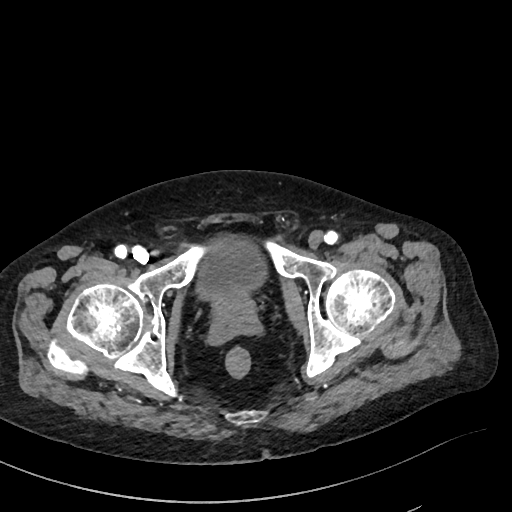

CT abdomen. axial view. 15 organs annotated in this scan (counted over the whole 3D scan, not this slice; an organ is boxed only where this slice passes through it)
One row per box, in pixels: columns x1 and y1 give the top-left corner, x2 and y2 the bottom-right.
| organ | x1 | y1 | x2 | y2 |
|---|---|---|---|---|
| bladder | 195 | 237 | 268 | 302 |
| prostate/uterus | 214 | 297 | 253 | 321 |